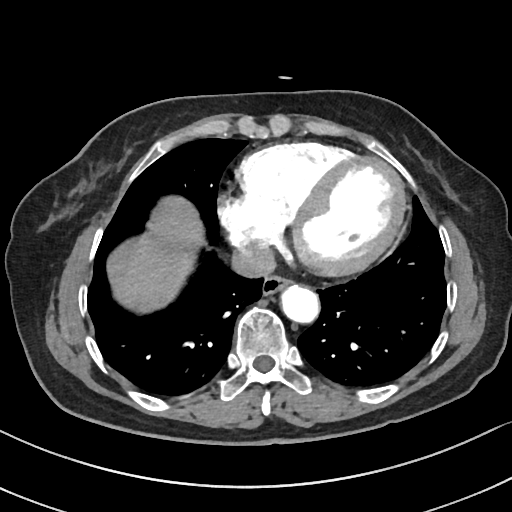 CT abdomen — axial view — 512x512 px
Boxes: x1:y1:x2:y2 in pixels.
Organ bounding boxes:
- liver: 107:199:203:310
- esophagus: 262:277:294:295
- inferior vena cava: 233:243:274:276
- aorta: 282:287:320:324